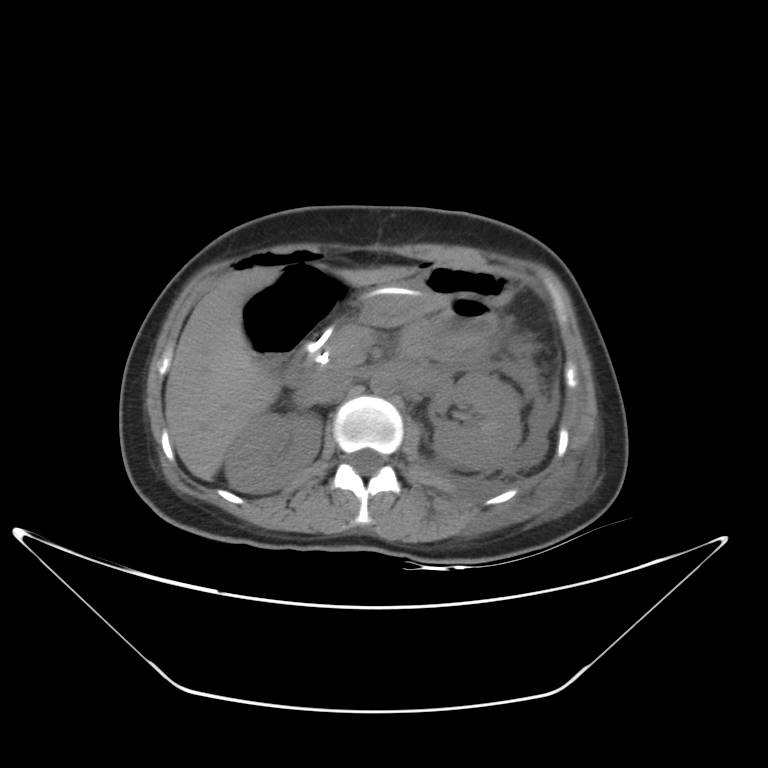 Computed tomography, abdomen · axial view · soft-tissue window (W 400 / L 40) · acquired on Brilliance16 · 14 organs annotated in this scan (counted over the whole 3D scan, not this slice; an organ is boxed only where this slice passes through it)
Boxes are (x1, y1, x2, y2) in pixels.
Organ bounding boxes:
- pancreas: (326, 323, 374, 369)
- liver: (165, 267, 412, 479)
- aorta: (370, 371, 394, 394)
- duodenum: (285, 323, 332, 388)
- stomach: (356, 264, 512, 326)
- right kidney: (224, 413, 322, 492)
- inferior vena cava: (304, 370, 353, 404)
- left kidney: (433, 373, 522, 469)